CT abdomen · axial view · soft-tissue window (W 400 / L 40) · 47-year-old male patient · Aquilion ONE scanner · scan has 15 labeled organs (that count is for the whole scan; organs this slice misses have no box)
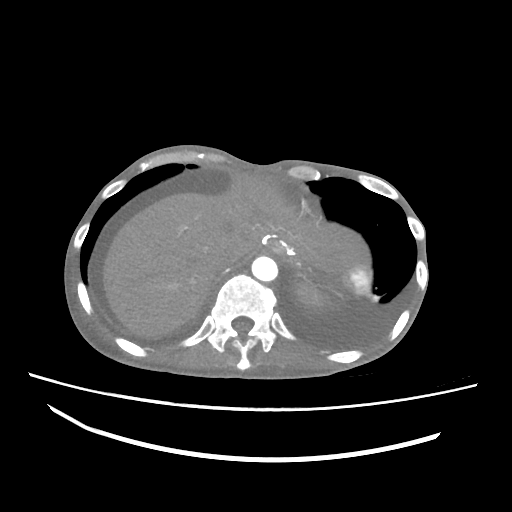

Bounding boxes as [x1, y1, x2, y2] in pixel coordinates. 6 labeled organs on this slice — spleen at [344, 258, 371, 294]; left kidney at [295, 282, 324, 305]; esophagus at [265, 241, 292, 253]; liver at [102, 173, 313, 337]; aorta at [251, 256, 277, 281]; inferior vena cava at [213, 253, 235, 272].